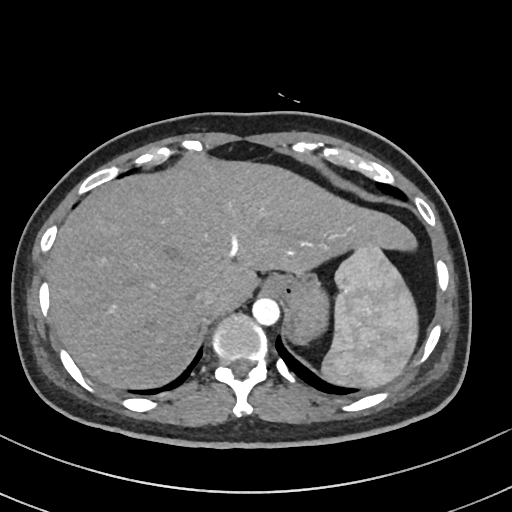
Computed tomography, abdomen — Axial slice 172/191 — 512x512 px
{"organs":{"spleen":[322,247,416,385],"aorta":[252,297,280,325],"esophagus":[261,276,286,294],"liver":[47,156,417,389],"inferior vena cava":[193,286,219,308],"stomach":[267,276,327,341]}}